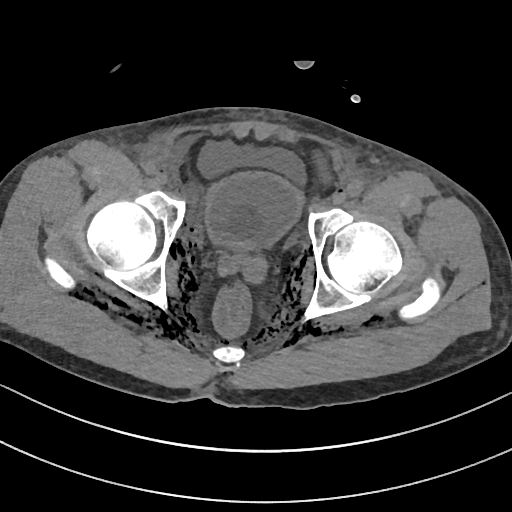 Abdominal CT; Axial slice 44/252; soft-tissue window (W 400 / L 40)
Coordinates as <box>x1,y1,x2,y2</box> in pixels. The annotated organs in this slice are: bladder at <box>205,172,302,248</box>.